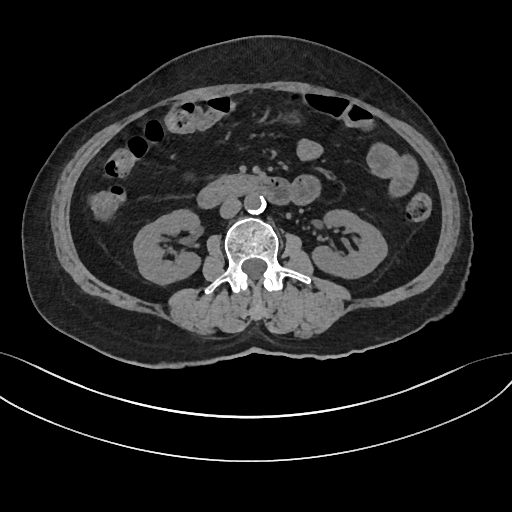

Computed tomography, abdomen. axial plane, index 118. soft-tissue window (W 400 / L 40)
Boxes are (x1, y1, x2, y2) in pixels.
right kidney: (133, 209, 200, 284)
stomach: (285, 113, 299, 123)
aorta: (244, 194, 265, 213)
duodenum: (197, 175, 288, 208)
inferior vena cava: (220, 197, 241, 218)
left kidney: (312, 210, 387, 278)